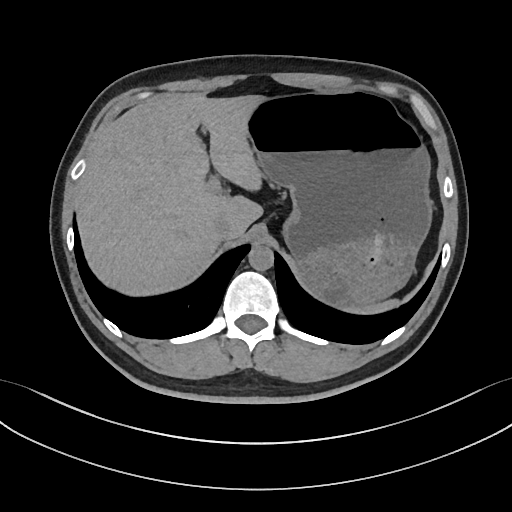 Abdominal CT; axial view; abdomen soft-tissue window; SOMATOM Force scanner
Organ boxes in pixel coordinates; each row gives the top-left (x1, y1) and bottom-right (x2, y2) corners.
| organ | x1 | y1 | x2 | y2 |
|---|---|---|---|---|
| inferior vena cava | 214 | 219 | 235 | 239 |
| spleen | 347 | 300 | 397 | 314 |
| stomach | 248 | 90 | 433 | 307 |
| aorta | 248 | 245 | 273 | 271 |
| liver | 77 | 93 | 268 | 295 |